CT abdomen. axial view. soft-tissue window (W 400 / L 40). 512x512 px
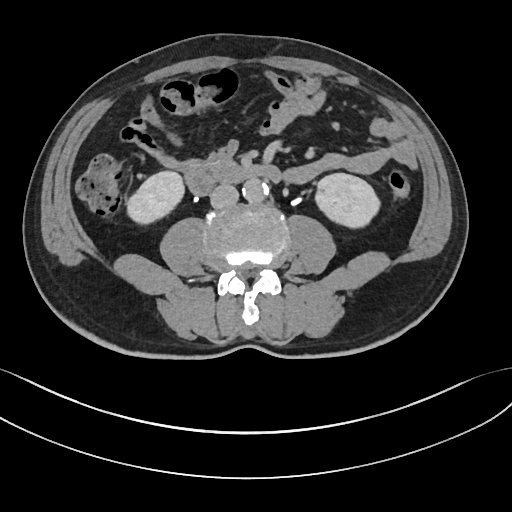

Box edges are left/top/right/bottom in pixels. 5 labeled organs on this slice — aorta at left=242, top=179, right=269, bottom=202; right kidney at left=124, top=170, right=185, bottom=223; inferior vena cava at left=211, top=184, right=239, bottom=209; duodenum at left=185, top=162, right=282, bottom=195; left kidney at left=314, top=173, right=378, bottom=227.